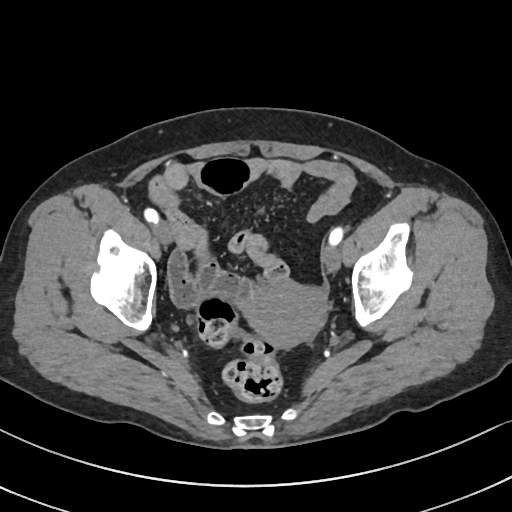 Abdominal CT; axial plane, index 45; abdomen soft-tissue window; scan has 15 labeled organs (that count is for the whole scan; organs this slice misses have no box)
{"organs":{"prostate/uterus":[244,279,326,347]}}